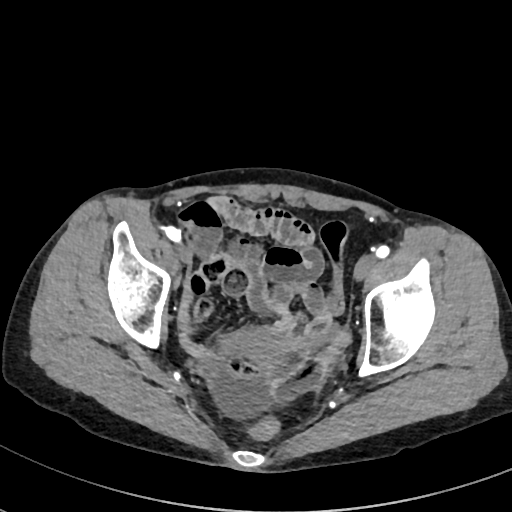 CT abdomen — axial view
{"organs":{"prostate/uterus":[240,329,290,359]}}